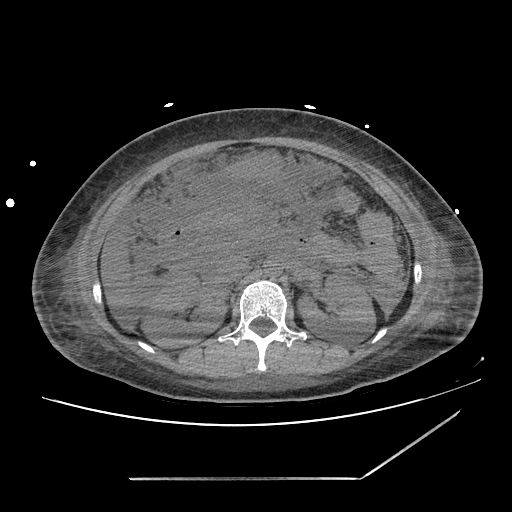
CT abdomen. Axial slice 117/191. 15 organs annotated in this scan (that count is for the whole scan; organs this slice misses have no box)
Bounding boxes as [x1, y1, x2, y2] in pixel coordinates. The annotated organs in this slice are: right kidney at [142, 270, 226, 347], left kidney at [298, 273, 375, 341], liver at [102, 231, 132, 330], stomach at [226, 153, 280, 177], aorta at [264, 259, 284, 276], inferior vena cava at [217, 255, 249, 282], pancreas at [198, 205, 258, 238], duodenum at [159, 218, 227, 269].